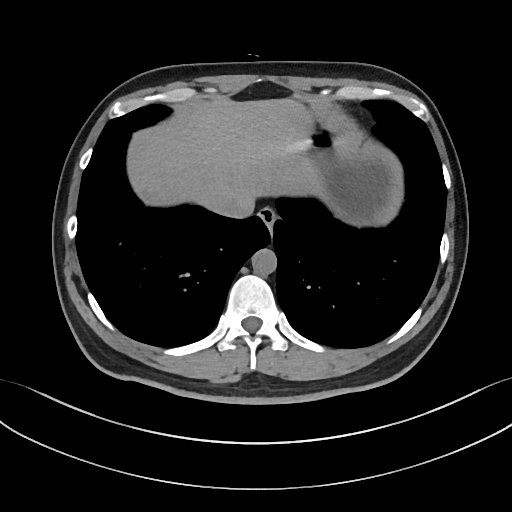
CT, abdomen/pelvis · Axial slice 210/225 · W/L 400/40 HU · 512x512 px
Box edges are left/top/right/bottom in pixels.
Organ bounding boxes:
- esophagus: left=258, top=208, right=276, bottom=228
- liver: left=129, top=98, right=319, bottom=210
- stomach: left=303, top=112, right=398, bottom=222
- aorta: left=251, top=248, right=276, bottom=274
- inferior vena cava: left=214, top=198, right=254, bottom=218